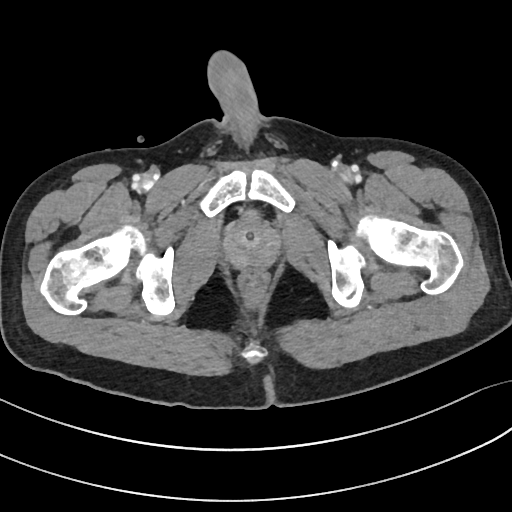

Abdominal CT. axial plane, index 12. soft-tissue window. 512x512 px
Boxes: x1:y1:x2:y2 in pixels.
Organ bounding boxes:
- bladder: 243:210:256:221
- prostate/uterus: 226:221:281:266